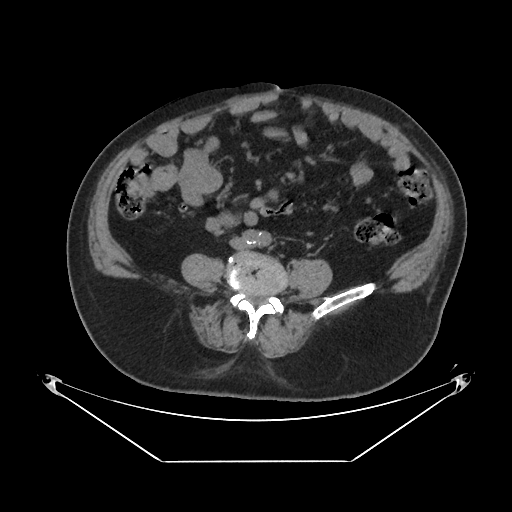 CT, abdomen/pelvis; Axial slice 148/353; acquired on SOMATOM Force
Organ boxes in pixel coordinates; each row gives the top-left (x1, y1) and bottom-right (x2, y2) corners.
| organ | x1 | y1 | x2 | y2 |
|---|---|---|---|---|
| aorta | 253 | 230 | 271 | 245 |
| inferior vena cava | 230 | 237 | 245 | 248 |